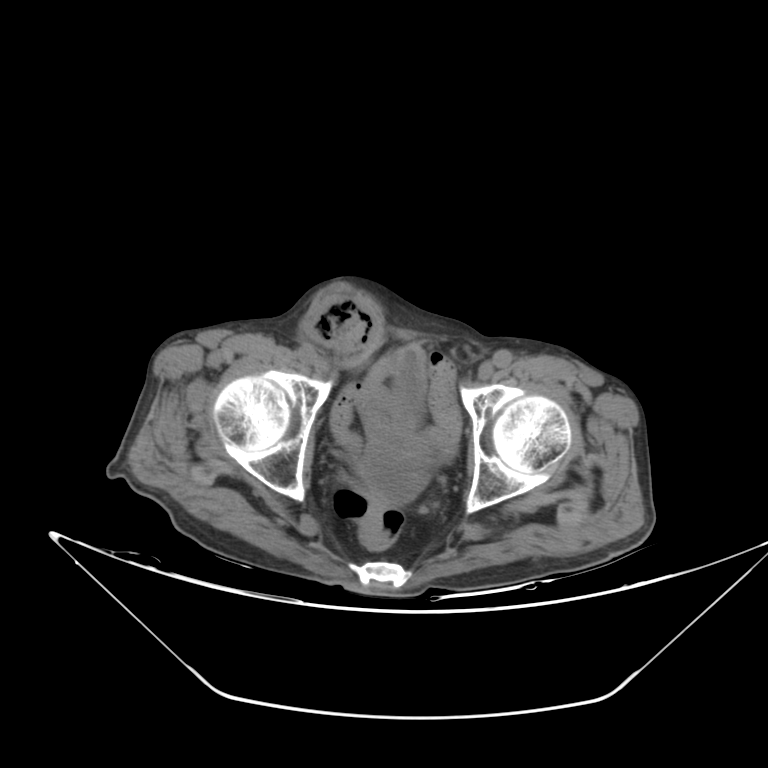
Abdominal CT. axial view. soft-tissue window. 768x768 px. male patient aged 90 or older
Organ boxes in pixel coordinates; each row gives the top-left (x1, y1) and bottom-right (x2, y2) corners.
| organ | x1 | y1 | x2 | y2 |
|---|---|---|---|---|
| bladder | 394 | 344 | 423 | 426 |